CT, abdomen/pelvis; axial view; 15 organs annotated in this scan (a whole-scan count: organs this slice does not pass through have no box)
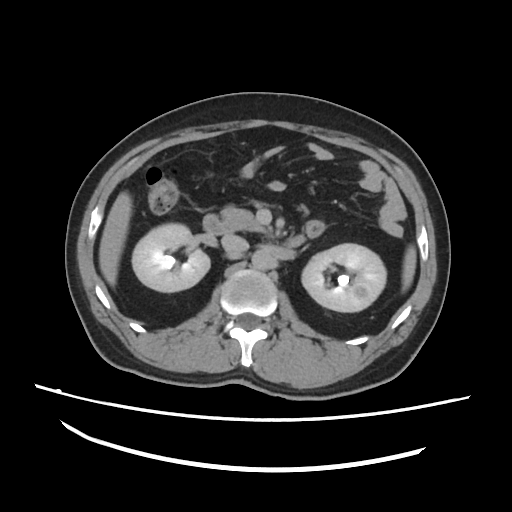
<organs><organ name="pancreas" x1="220" y1="206" x2="263" y2="231"/><organ name="right kidney" x1="132" y1="223" x2="210" y2="291"/><organ name="inferior vena cava" x1="220" y1="234" x2="248" y2="254"/><organ name="spleen" x1="402" y1="246" x2="417" y2="291"/><organ name="aorta" x1="253" y1="250" x2="271" y2="268"/><organ name="duodenum" x1="203" y1="214" x2="305" y2="247"/><organ name="liver" x1="99" y1="190" x2="131" y2="285"/><organ name="left kidney" x1="301" y1="244" x2="386" y2="312"/></organs>